Abdominal CT · axial view · abdomen soft-tissue window · scan has 15 labeled organs (that count is for the whole scan; organs this slice misses have no box)
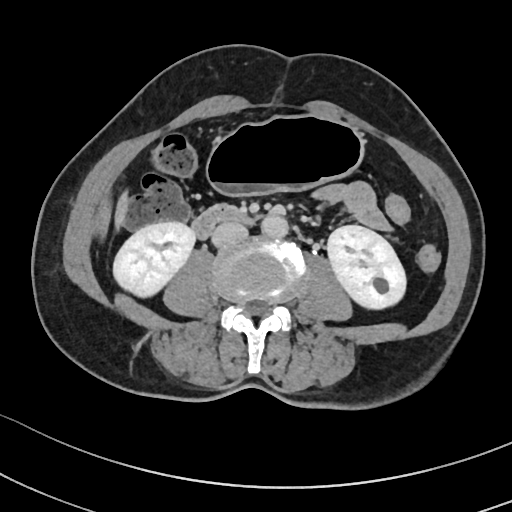

<organs><organ name="duodenum" x1="192" y1="203" x2="246" y2="238"/><organ name="aorta" x1="260" y1="214" x2="287" y2="237"/><organ name="right kidney" x1="113" y1="221" x2="194" y2="296"/><organ name="stomach" x1="208" y1="115" x2="362" y2="193"/><organ name="left kidney" x1="328" y1="225" x2="405" y2="309"/><organ name="liver" x1="115" y1="189" x2="126" y2="228"/><organ name="inferior vena cava" x1="212" y1="221" x2="249" y2="245"/></organs>